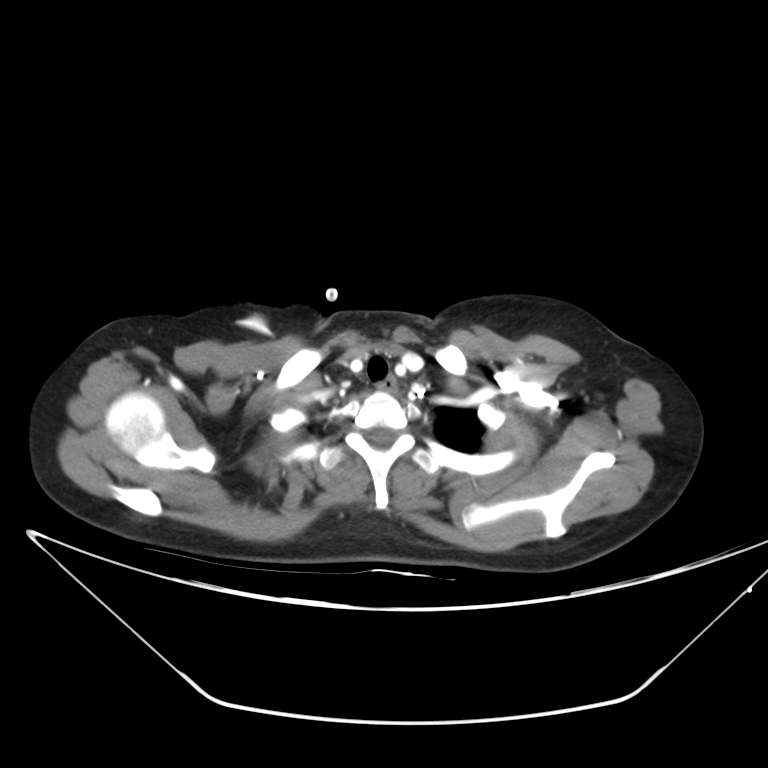
Chest-level CT slice, above the liver and spleen; axial view; soft-tissue window (W 400 / L 40); acquired on Brilliance16
On a slice this high in the chest, this dataset labels only the esophagus and the aorta, and each is boxed only where it is labeled; the heart, lungs and other chest structures are not labeled. Each box given as x1,y1,x2,y2. Labeled organs on this slice: esophagus at x1=379, y1=377, x2=395, y2=391.